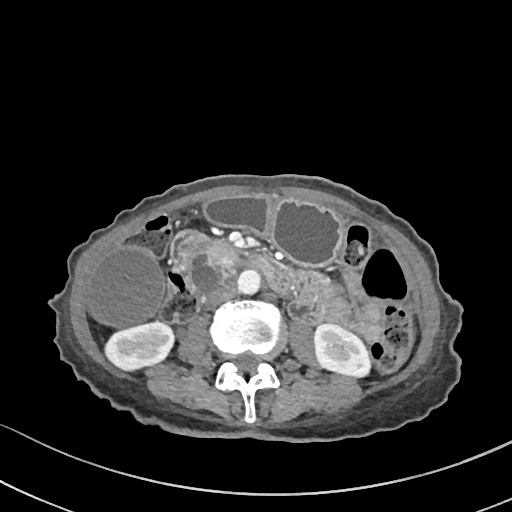
Computed tomography, abdomen · axial view · acquired on SOMATOM Force
Organ boxes in pixel coordinates; each row gives the top-left (x1, y1) and bottom-right (x2, y2) corners.
| organ | x1 | y1 | x2 | y2 |
|---|---|---|---|---|
| right kidney | 105 | 322 | 173 | 370 |
| left kidney | 314 | 324 | 370 | 377 |
| gall bladder | 87 | 247 | 163 | 327 |
| stomach | 204 | 195 | 343 | 266 |
| aorta | 237 | 269 | 260 | 294 |
| inferior vena cava | 206 | 282 | 236 | 306 |
| pancreas | 181 | 235 | 240 | 270 |
| duodenum | 170 | 230 | 293 | 292 |